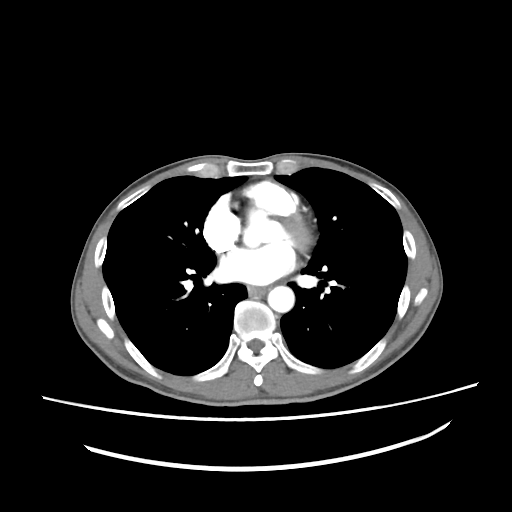 Chest-level slice from an abdominal CT that extends up into the chest. axial view. scan has 14 labeled organs (counted over the whole 3D scan, not this slice; an organ is boxed only where this slice passes through it)
At this level of the chest this dataset labels only the esophagus and the aorta, and each is boxed only where it is labeled; the heart and lungs are never labeled.
{"organs":{"esophagus":[247,285,266,295],"aorta":[267,286,294,312]}}